CT abdomen. axial plane, index 164. soft-tissue window (W 400 / L 40)
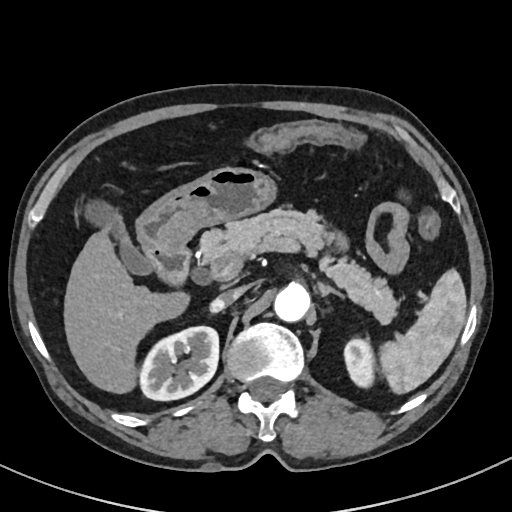 Coordinates as <box>x1,y1,x2,y2</box> in pixels.
right kidney: <box>139,326,218,400</box>
stomach: <box>136,167,277,252</box>
inferior vena cava: <box>210,286,246,311</box>
gall bladder: <box>83,199,151,274</box>
liver: <box>63,229,189,393</box>
aorta: <box>274,283,310,322</box>
left kidney: <box>344,337,375,388</box>
pancreas: <box>200,207,398,323</box>
spleen: <box>380,269,466,393</box>
duodenum: <box>147,247,189,287</box>
left adrenal gland: <box>318,282,344,298</box>